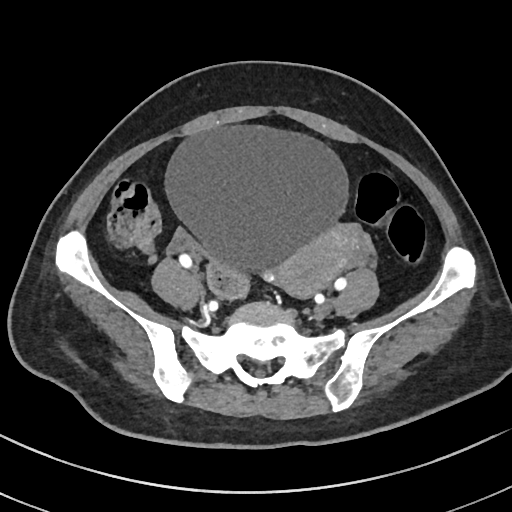

CT abdomen · axial plane, index 66 · W/L 400/40 HU · acquired on SOMATOM Force
Organ boxes in pixel coordinates; each row gives the top-left (x1, y1) and bottom-right (x2, y2) corners.
| organ | x1 | y1 | x2 | y2 |
|---|---|---|---|---|
| bladder | 165 | 124 | 348 | 270 |
| prostate/uterus | 275 | 222 | 361 | 299 |